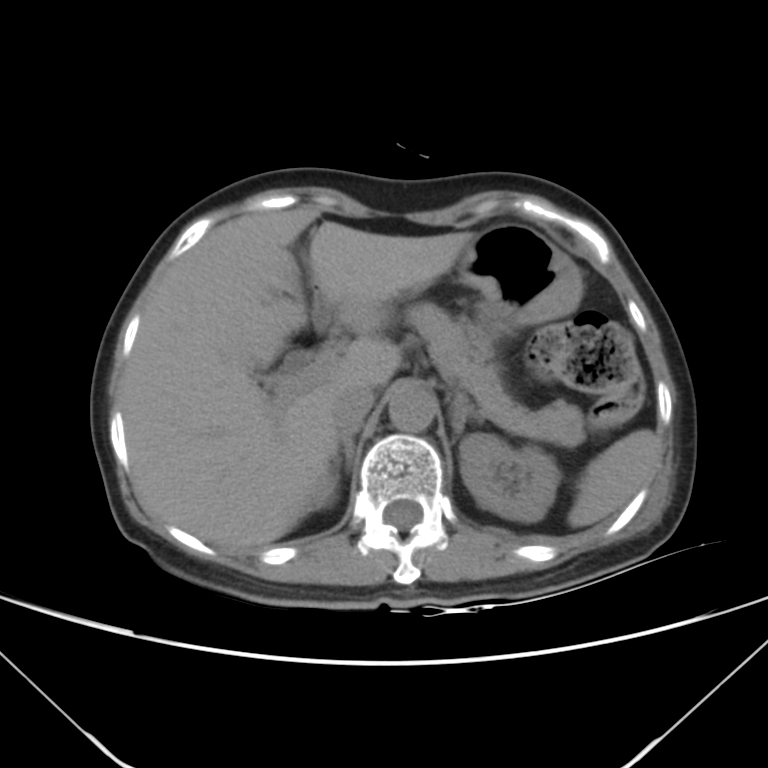 Computed tomography, abdomen; Axial slice 75/92; 63-year-old female patient
Boxes: x1:y1:x2:y2 in pixels.
spleen: 567:429:659:526
right kidney: 311:477:336:507
left kidney: 459:435:559:521
gall bladder: 255:351:309:385
liver: 122:208:472:549
stomach: 314:223:582:355
aorta: 387:384:435:432
inferior vena cava: 330:382:374:430
pancreas: 405:302:585:446
right adrenal gland: 333:426:359:469
left adrenal gland: 450:394:484:439